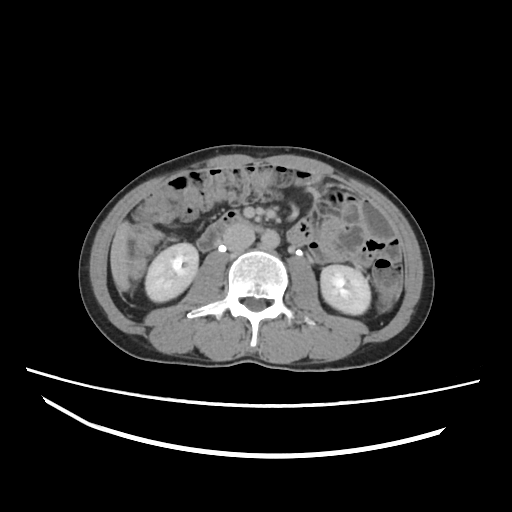 CT abdomen · axial view · 512x512 px · 40-year-old male patient · 15 organs annotated in this scan (counted over the whole 3D scan, not this slice; an organ is boxed only where this slice passes through it)
<organs><organ name="aorta" x1="260" y1="229" x2="279" y2="247"/><organ name="inferior vena cava" x1="222" y1="223" x2="254" y2="249"/><organ name="right kidney" x1="145" y1="242" x2="198" y2="302"/><organ name="duodenum" x1="198" y1="211" x2="243" y2="251"/><organ name="liver" x1="111" y1="221" x2="130" y2="291"/><organ name="left kidney" x1="320" y1="265" x2="371" y2="314"/></organs>